CT abdomen; axial view; abdomen soft-tissue window; scan has 15 labeled organs (a whole-scan count: organs this slice does not pass through have no box)
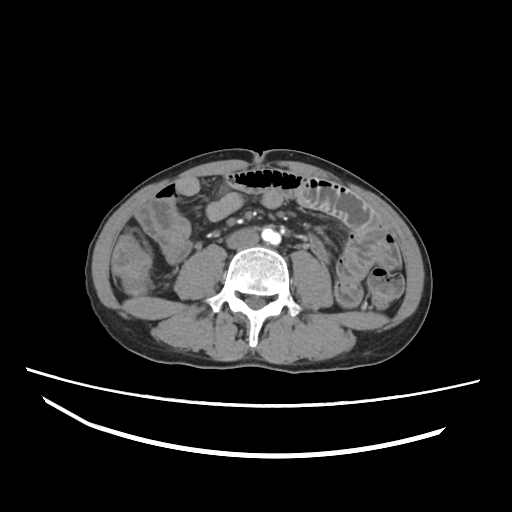
Box edges are left/top/right/bottom in pixels. The annotated organs in this slice are: inferior vena cava at left=226, top=227, right=259, bottom=249.